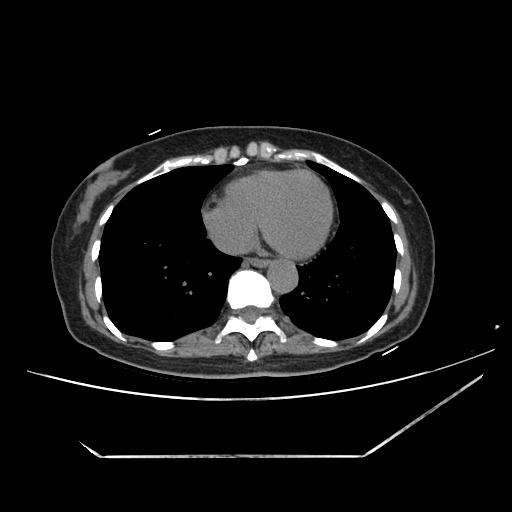 Abdominal CT; this slice is in the lower chest, just above the liver. axial view
The heart and lungs are never labeled in this dataset, so they have no box on this slice.
Each box given as x1,y1,x2,y2.
Organ bounding boxes:
- esophagus: x1=247, y1=259, x2=270, y2=267
- aorta: x1=267, y1=260, x2=298, y2=294
- inferior vena cava: x1=213, y1=231, x2=252, y2=254